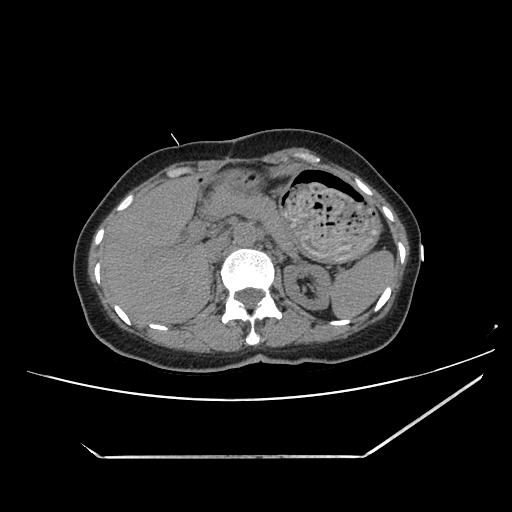 CT, abdomen/pelvis. axial view. abdomen soft-tissue window
Coordinates as <box>x1,y1,x2,y2</box> in pixels.
Organ bounding boxes:
- spleen: <box>331,250,394,318</box>
- aorta: <box>234,223,256,246</box>
- right adrenal gland: <box>209,267,214,298</box>
- left kidney: <box>283,263,332,310</box>
- stomach: <box>225,168,380,260</box>
- liver: <box>104,164,302,323</box>
- pancreas: <box>200,183,295,254</box>
- inferior vena cava: <box>204,236,227,262</box>